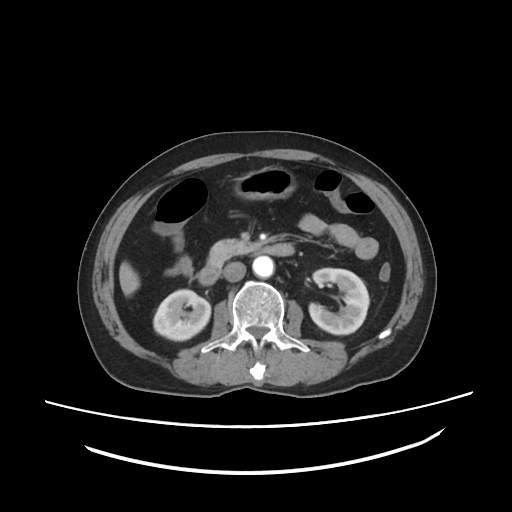

Abdominal CT. axial view. soft-tissue window (W 400 / L 40). 512x512 px. scan has 15 labeled organs (that count is for the whole scan; organs this slice misses have no box)
Boxes: x1 y1 x2 y2 (pixel coords, space-separated).
Organ bounding boxes:
- aorta: 252 256 274 278
- right kidney: 153 289 210 340
- pancreas: 208 238 260 264
- left kidney: 309 268 369 334
- liver: 119 261 139 296
- inferior vena cava: 223 262 245 281
- duodenum: 197 243 294 285
- stomach: 233 166 295 199